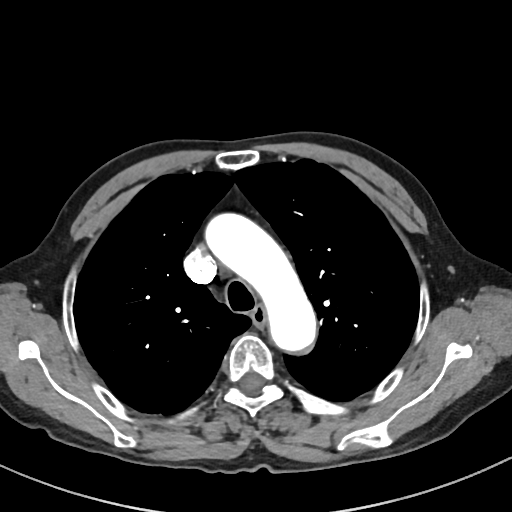

CT of the abdomen extending into the chest, slice through the chest. Axial slice 269/303. soft-tissue window
At this level of the chest this dataset labels only the esophagus and the aorta, and each is boxed only where it is labeled; the heart and lungs are never labeled.
One row per box, in pixels: columns x1 and y1 give the top-left corner, x2 and y2 the bottom-right.
| organ | x1 | y1 | x2 | y2 |
|---|---|---|---|---|
| aorta | 206 | 212 | 315 | 354 |
| esophagus | 251 | 307 | 266 | 325 |